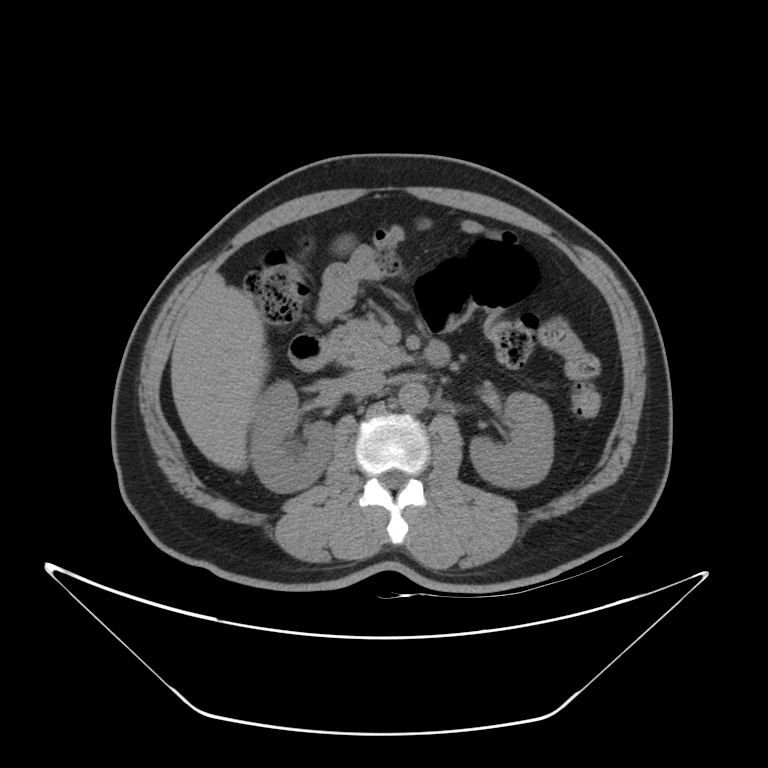

CT, abdomen/pelvis · axial view · 55-year-old male patient
One row per box, in pixels: columns x1 and y1 give the top-left corner, x2 and y2 the bottom-right.
| organ | x1 | y1 | x2 | y2 |
|---|---|---|---|---|
| left kidney | 470 | 393 | 554 | 488 |
| pancreas | 325 | 319 | 410 | 368 |
| aorta | 398 | 383 | 428 | 412 |
| inferior vena cava | 345 | 369 | 385 | 397 |
| right kidney | 251 | 380 | 333 | 493 |
| liver | 171 | 273 | 267 | 472 |
| duodenum | 288 | 334 | 450 | 371 |